CT abdomen. axial plane, index 65. soft-tissue window. acquired on Aquilion ONE
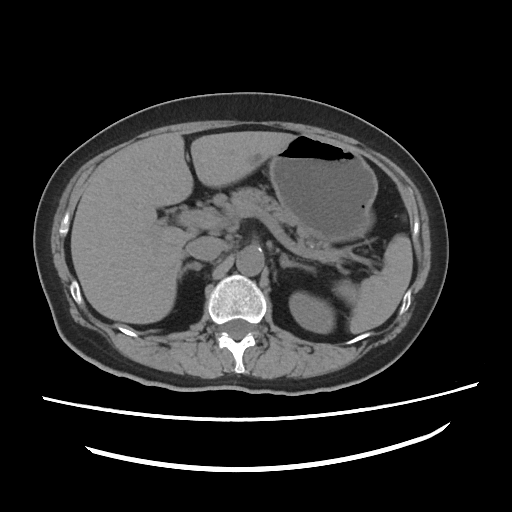
Coordinates as <box>x1,y1,x2,y2</box> in pixels. The annotated organs in this slice are: spleen at <box>334,234,412,334</box>, left kidney at <box>289,292,334,333</box>, liver at <box>71,131,295,323</box>, stomach at <box>269,135,377,241</box>, aorta at <box>236,247,264,275</box>, inferior vena cava at <box>186,236,224,260</box>, pancreas at <box>221,187,344,251</box>, right adrenal gland at <box>179,262,202,279</box>, left adrenal gland at <box>280,253,315,273</box>.